CT, abdomen/pelvis — Axial slice 21/89 — 512x512 px — 68-year-old male patient — Aquilion ONE scanner
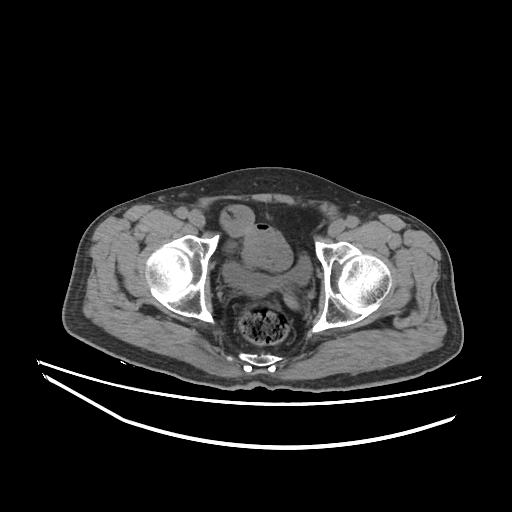 <organs><organ name="bladder" x1="223" y1="256" x2="312" y2="294"/></organs>